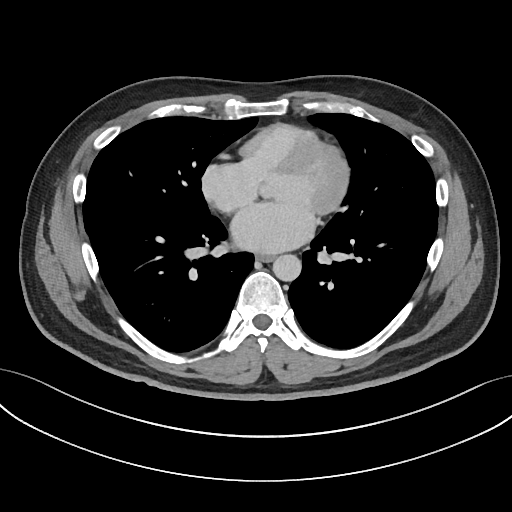
Lower-chest slice from an abdominal CT, just above the liver and spleen. axial view. soft-tissue window, W/L 400/40
No part of the heart or lungs is labeled in this dataset, so neither has a box here.
Box edges are left/top/right/bottom in pixels.
Organ bounding boxes:
- esophagus: left=255, top=254, right=274, bottom=262
- aorta: left=272, top=254, right=301, bottom=281